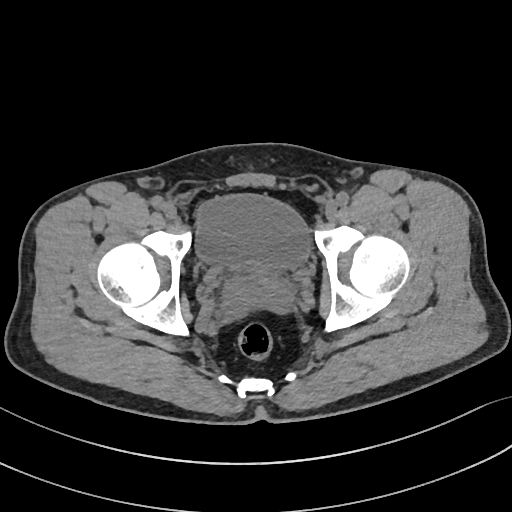 CT abdomen; axial view
Boxes: x1:y1:x2:y2 in pixels.
Organ bounding boxes:
- bladder: 198:195:308:267
- prostate/uterus: 228:265:286:305